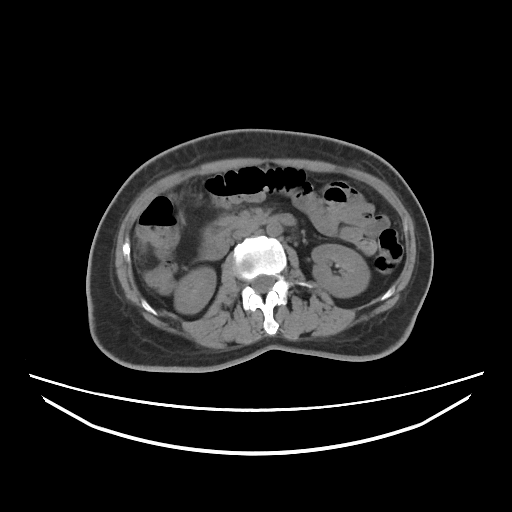 Computed tomography, abdomen — axial view — soft-tissue window (W 400 / L 40) — 49-year-old female patient
{"organs":{"right kidney":[174,266,215,313],"left kidney":[311,244,369,297],"aorta":[266,223,282,236],"inferior vena cava":[231,226,256,239],"pancreas":[216,214,255,230],"duodenum":[200,213,296,259]}}